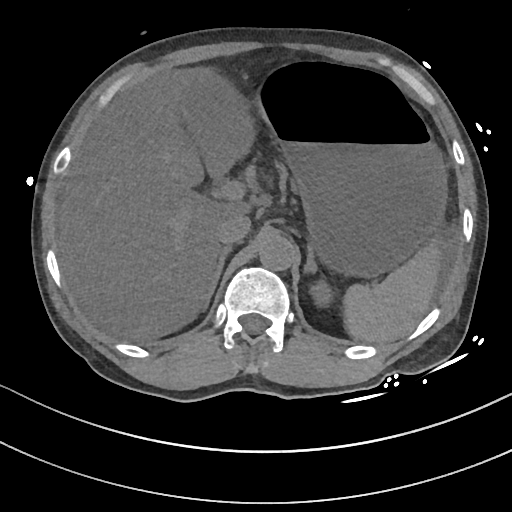
Abdominal CT; axial view; 512x512 px; SOMATOM Force scanner; scan has 15 labeled organs (a whole-scan count: organs this slice does not pass through have no box)
Bounding boxes in pixels, one row per box: x1, y1 is the top-left corner and x2, y2 the bottom-right.
| organ | x1 | y1 | x2 | y2 |
|---|---|---|---|---|
| spleen | 342 | 239 | 442 | 342 |
| left kidney | 310 | 280 | 333 | 307 |
| gall bladder | 180 | 72 | 251 | 176 |
| liver | 56 | 67 | 249 | 341 |
| stomach | 259 | 63 | 446 | 277 |
| aorta | 259 | 234 | 295 | 271 |
| inferior vena cava | 216 | 213 | 251 | 244 |
| right adrenal gland | 203 | 245 | 232 | 309 |
| left adrenal gland | 303 | 247 | 317 | 272 |